CT abdomen. axial view
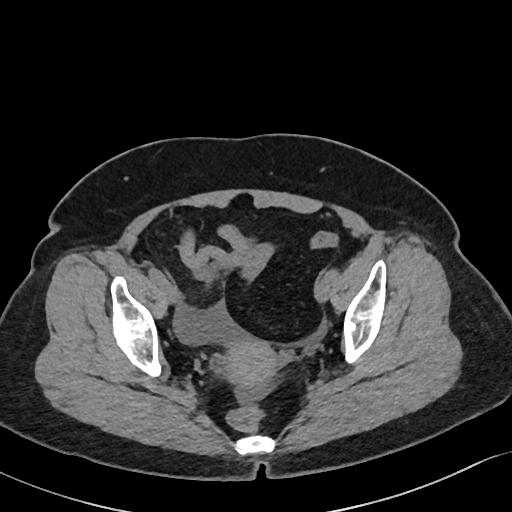

Boxes are (x1, y1, x2, y2) in pixels. The annotated organs in this slice are: prostate/uterus at (219, 338, 277, 384).